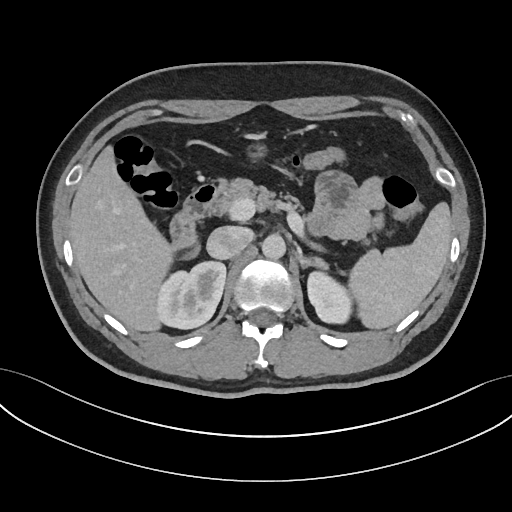 CT abdomen — axial view — abdomen soft-tissue window — SOMATOM Force scanner — 15 organs annotated in this scan (that count is for the whole scan; organs this slice misses have no box)
{"organs":{"spleen":[349,202,451,329],"right kidney":[156,261,226,328],"left kidney":[307,271,351,323],"liver":[69,145,172,331],"stomach":[246,142,266,158],"aorta":[261,234,285,259],"inferior vena cava":[206,226,253,259],"pancreas":[211,178,297,215],"left adrenal gland":[295,246,328,269],"duodenum":[170,185,218,258]}}